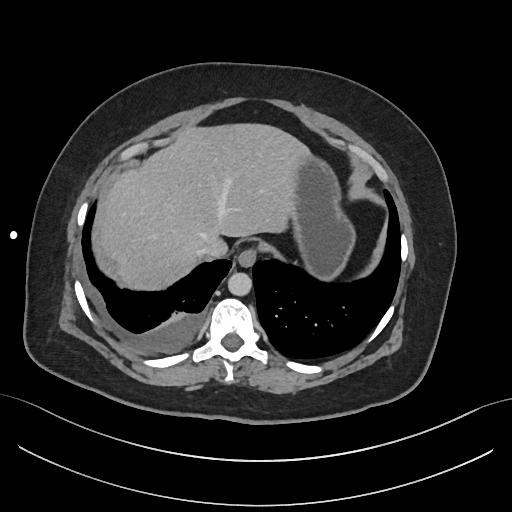

CT abdomen; Axial slice 196/305; W/L 400/40 HU; 512x512 px
<organs><organ name="esophagus" x1="237" y1="250" x2="255" y2="267"/><organ name="stomach" x1="291" y1="156" x2="355" y2="280"/><organ name="liver" x1="100" y1="125" x2="310" y2="288"/><organ name="aorta" x1="227" y1="273" x2="252" y2="296"/><organ name="inferior vena cava" x1="199" y1="240" x2="224" y2="257"/></organs>